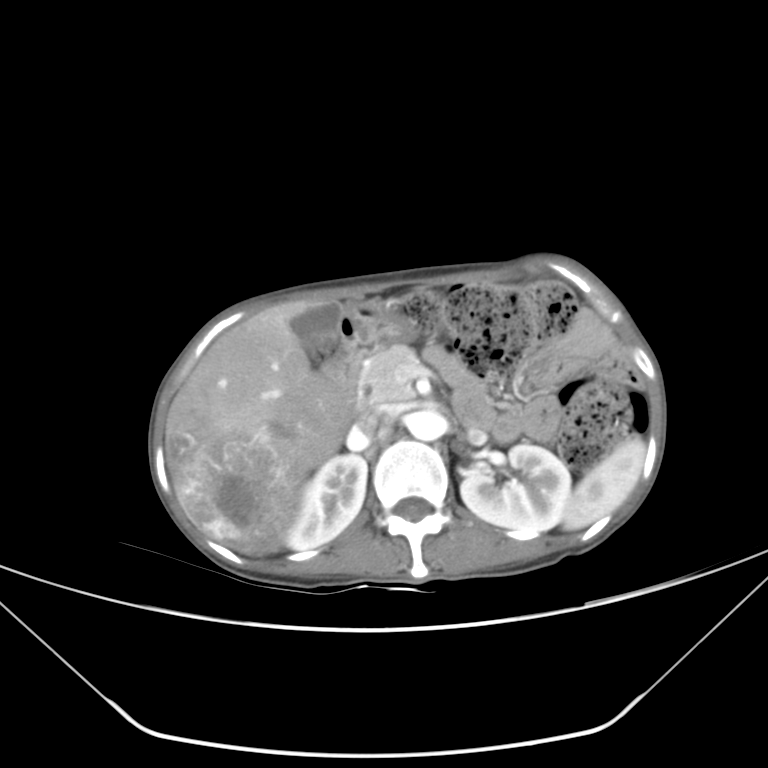

CT abdomen — axial plane, index 63 — abdomen soft-tissue window — 768x768 px — 32-year-old female patient — 15 organs annotated in this scan (that count is for the whole scan; organs this slice misses have no box)
Boxes: x1 y1 x2 y2 (pixel coords, space-separated).
spleen: 560 437 645 530
pancreas: 359 344 418 407
inferior vena cava: 346 408 391 450
stomach: 340 300 404 345
right kidney: 285 455 367 549
liver: 166 300 351 554
gall bladder: 291 304 341 353
left kidney: 460 444 570 535
aorta: 407 409 444 441
duodenum: 324 341 367 409